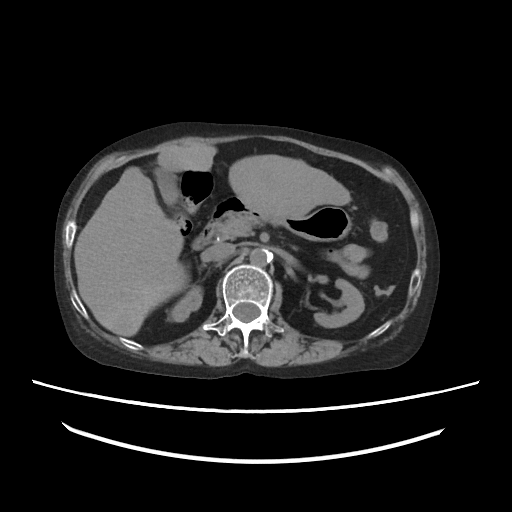

Computed tomography, abdomen — axial plane, index 59 — soft-tissue window
Bounding boxes in pixels, one row per box: x1, y1 is the top-left corner and x2, y2 the bottom-right.
| organ | x1 | y1 | x2 | y2 |
|---|---|---|---|---|
| inferior vena cava | 207 | 243 | 235 | 260 |
| aorta | 249 | 248 | 270 | 266 |
| liver | 74 | 144 | 351 | 336 |
| left kidney | 314 | 279 | 364 | 327 |
| pancreas | 214 | 214 | 261 | 239 |
| stomach | 209 | 197 | 351 | 241 |
| gall bladder | 154 | 167 | 178 | 205 |
| right kidney | 173 | 285 | 202 | 321 |
| duodenum | 192 | 223 | 213 | 250 |